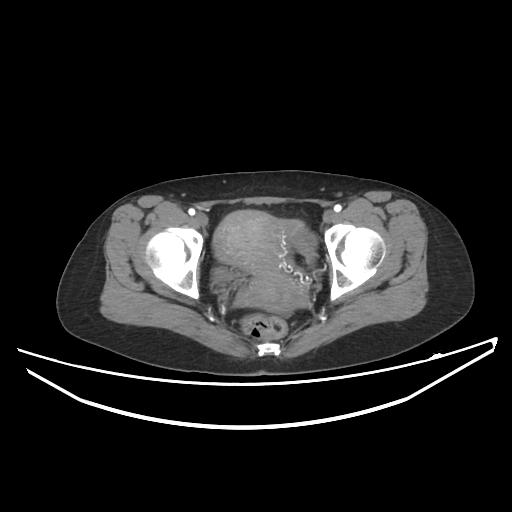 CT abdomen · axial view · 512x512 px
Bounding boxes as [x1, y1, x2, y2] in pixel coordinates. 2 labeled organs on this slice — bladder at [211, 266, 232, 283]; prostate/uterus at [213, 210, 307, 313].